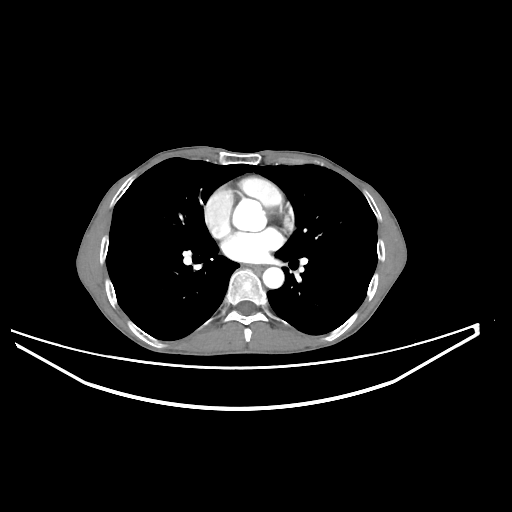 CT of the abdomen extending into the chest, slice through the chest; Axial slice 97/131; soft-tissue window; 60-year-old male patient
At this level of the chest no structure but the esophagus and the aorta has a label in this dataset, and those two are boxed only where they are labeled.
<organs><organ name="esophagus" x1="250" y1="264" x2="265" y2="271"/><organ name="aorta" x1="233" y1="201" x2="265" y2="231"/><organ name="aorta" x1="262" y1="267" x2="284" y2="288"/></organs>